CT abdomen; Axial slice 123/333; 512x512 px; 15 organs annotated in this scan (that count is for the whole scan; organs this slice misses have no box)
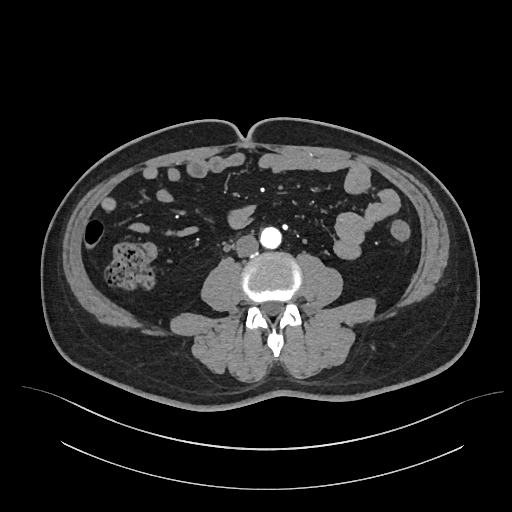
Each box given as x1,y1,x2,y2.
aorta: x1=259, y1=227, x2=281, y2=248
inferior vena cava: x1=236, y1=234, x2=258, y2=256